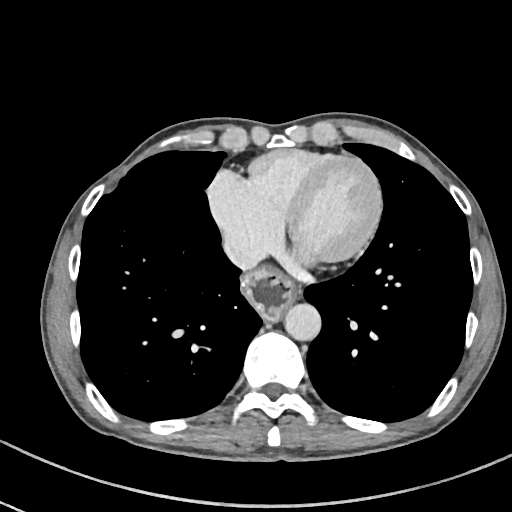 Abdominal CT; this slice is in the lower chest, just above the liver; axial view; 512x512 px
No part of the heart or lungs is labeled in this dataset, so neither has a box here.
{"organs":{"inferior vena cava":[224,235,263,269],"aorta":[284,303,321,340],"esophagus":[241,268,295,323]}}